CT, abdomen/pelvis · axial view · soft-tissue window · 512x512 px
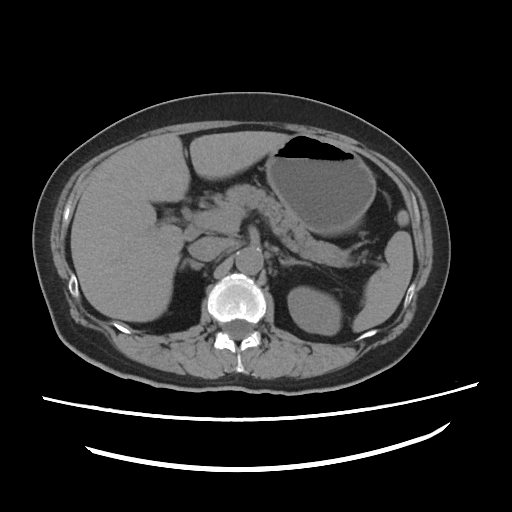 Coordinates as <box>x1,y1,x2,y2</box> in pixels. The annotated organs in this slice are: spleen at <box>352,231,413,332</box>, left kidney at <box>287,286,341,335</box>, liver at <box>71,131,290,322</box>, stomach at <box>265,134,376,235</box>, aorta at <box>236,247,263,274</box>, inferior vena cava at <box>188,236,226,261</box>, pancreas at <box>214,184,353,267</box>, right adrenal gland at <box>179,259,203,270</box>, left adrenal gland at <box>279,255,311,266</box>.